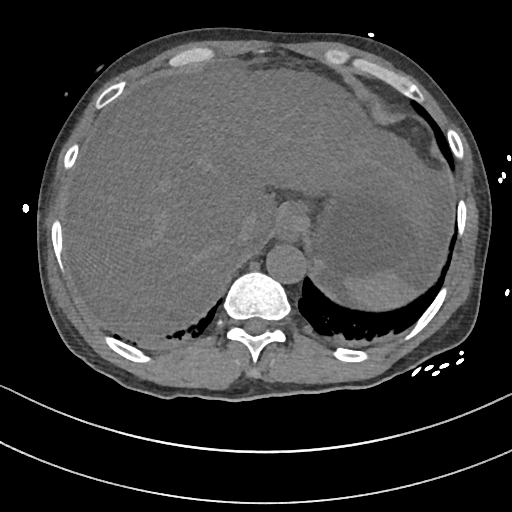 Computed tomography, abdomen; axial view
Boxes: x1:y1:x2:y2 in pixels. Labeled organs on this slice: spleen at 341:272:414:309, esophagus at 275:202:308:240, liver at 65:66:434:339, stomach at 291:179:443:279, aorta at 265:243:305:283, inferior vena cava at 233:219:253:251.